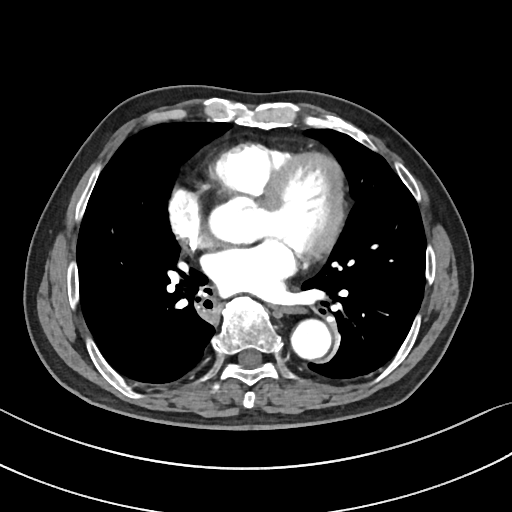
Lower-chest slice from an abdominal CT, just above the liver and spleen; axial view
The heart and lungs are never labeled in this dataset, so they have no box on this slice.
<organs><organ name="aorta" x1="291" y1="319" x2="331" y2="359"/><organ name="esophagus" x1="276" y1="307" x2="298" y2="313"/></organs>